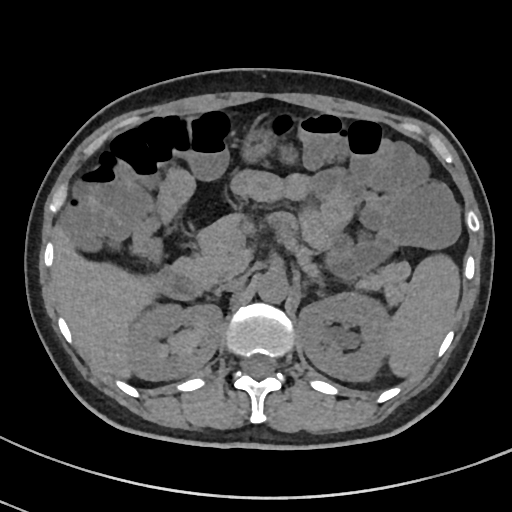

Abdominal CT · axial view
Boxes: x1:y1:x2:y2 in pixels.
Organ bounding boxes:
- duodenum: 154:265:200:298
- right kidney: 126:303:221:380
- stomach: 245:129:270:159
- inferior vena cava: 216:275:246:292
- liver: 53:228:156:378
- aorta: 257:271:288:302
- left kidney: 297:292:391:381
- spleen: 389:257:459:375
- pancreas: 175:215:409:302